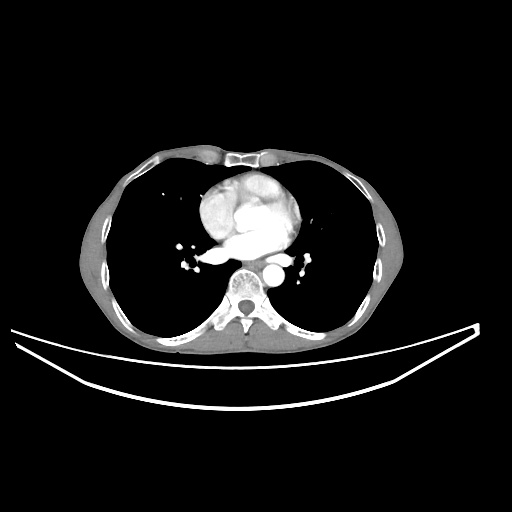
CT of the abdomen extending into the chest, slice through the chest. axial view. soft-tissue window. 512x512 px. 60-year-old male patient
On a slice this high in the chest, this dataset labels only the esophagus and the aorta, and each is boxed only where it is labeled; the heart, lungs and other chest structures are not labeled.
Organ boxes in pixel coordinates; each row gives the top-left (x1, y1) and bottom-right (x2, y2) corners.
| organ | x1 | y1 | x2 | y2 |
|---|---|---|---|---|
| esophagus | 246 | 260 | 263 | 267 |
| aorta | 262 | 264 | 284 | 286 |